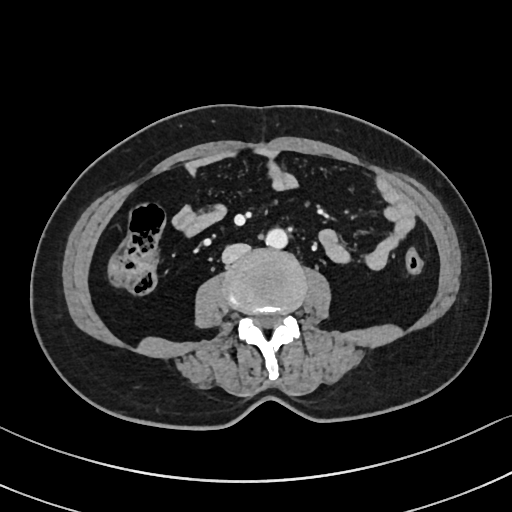

CT abdomen. axial view. soft-tissue window. 512x512 px. acquired on SOMATOM Force
<organs><organ name="aorta" x1="265" y1="228" x2="287" y2="248"/><organ name="inferior vena cava" x1="222" y1="243" x2="250" y2="263"/></organs>